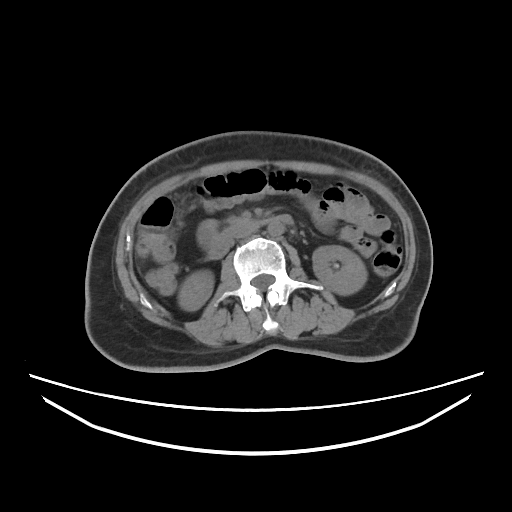 CT, abdomen/pelvis — axial plane, index 58 — 512x512 px — 49-year-old female patient — 15 organs annotated in this scan (a whole-scan count: organs this slice does not pass through have no box)
<organs><organ name="right kidney" x1="178" y1="270" x2="213" y2="310"/><organ name="left kidney" x1="312" y1="245" x2="366" y2="294"/><organ name="aorta" x1="267" y1="222" x2="284" y2="236"/><organ name="inferior vena cava" x1="233" y1="225" x2="258" y2="238"/><organ name="duodenum" x1="210" y1="214" x2="293" y2="258"/></organs>